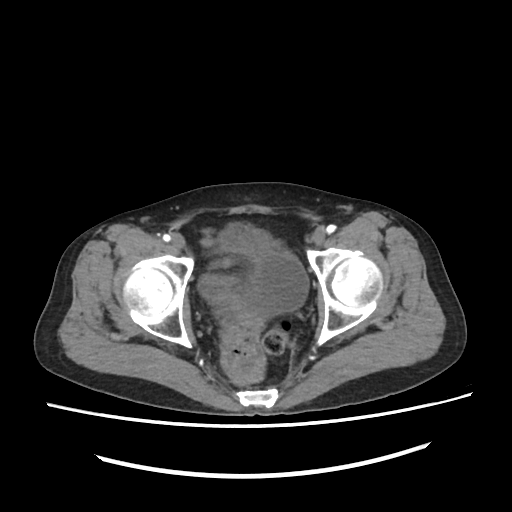

Abdominal CT · Axial slice 23/132 · 512x512 px · 67-year-old male patient · acquired on Aquilion ONE · 15 organs annotated in this scan (counted over the whole 3D scan, not this slice; an organ is boxed only where this slice passes through it)
Boxes: x1 y1 x2 y2 (pixel coords, space-separated).
Organ bounding boxes:
- bladder: 221 229 309 321